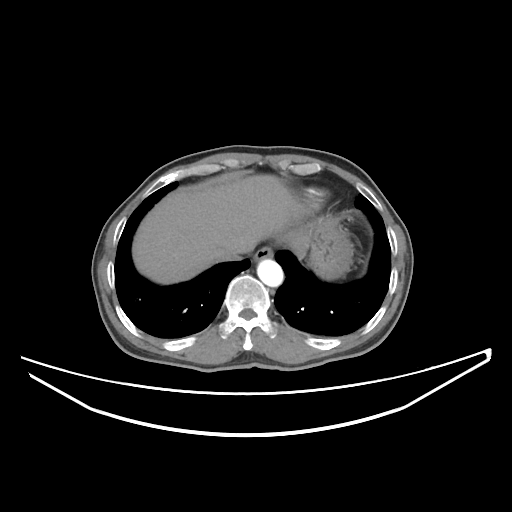
Computed tomography, abdomen — axial view — 15 organs annotated in this scan (counted over the whole 3D scan, not this slice; an organ is boxed only where this slice passes through it)
Each box given as x1,y1,x2,y2.
stomach: x1=308, y1=218, x2=352, y2=279
esophagus: x1=253, y1=246, x2=273, y2=262
inferior vena cava: x1=216, y1=248, x2=241, y2=261
aorta: x1=257, y1=259, x2=283, y2=286
liver: x1=132, y1=175, x2=309, y2=284